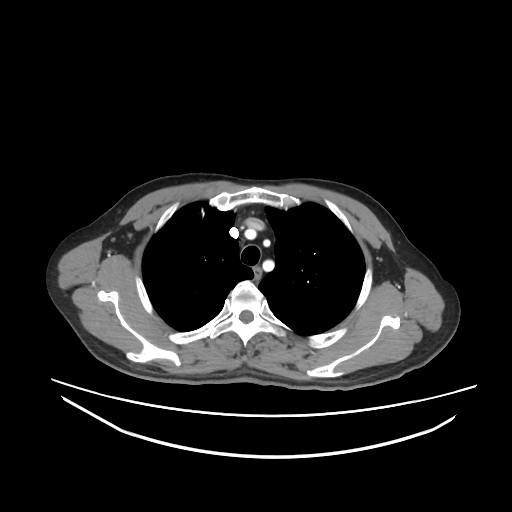
Chest-level slice from an abdominal CT that extends up into the chest. axial view. W/L 400/40 HU
On a slice this high in the chest, this dataset labels only the esophagus and the aorta, and each is boxed only where it is labeled; the heart, lungs and other chest structures are not labeled.
Boxes are (x1, y1, x2, y2) in pixels.
Organ bounding boxes:
- esophagus: (253, 266, 261, 279)